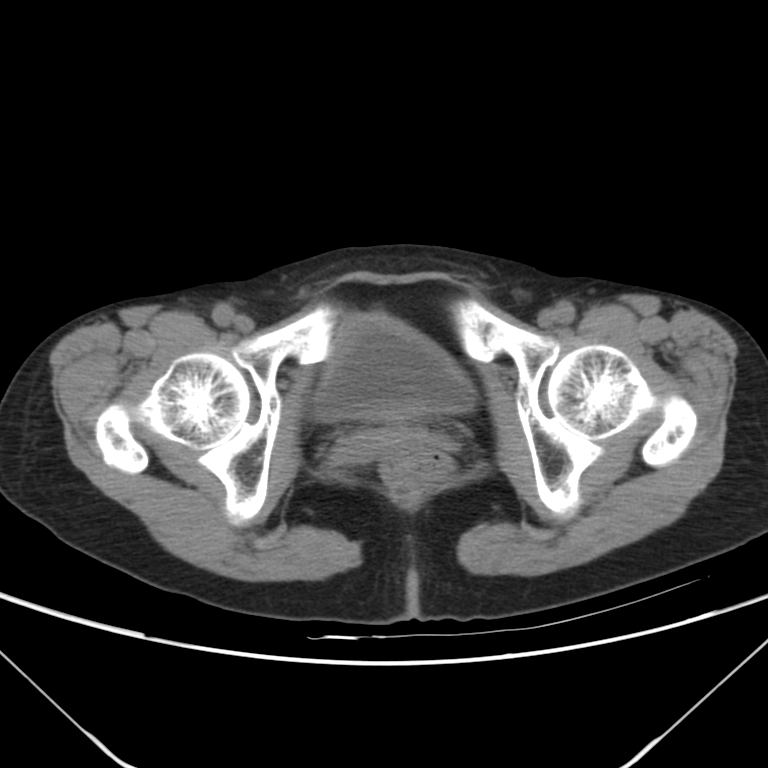 CT, abdomen/pelvis · axial view · acquired on Brilliance16
Box edges are left/top/right/bottom in pixels.
Organ bounding boxes:
- bladder: left=314, top=313, right=474, bottom=420